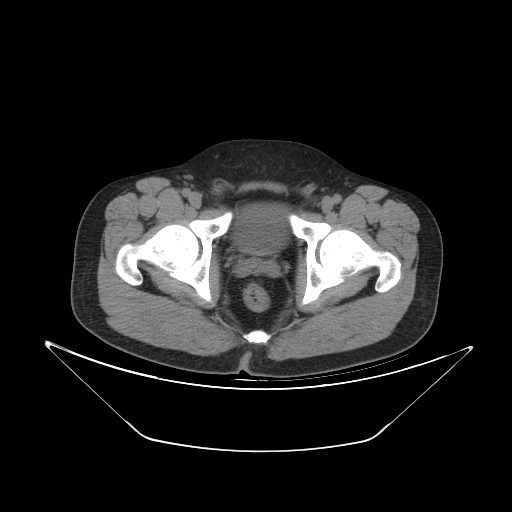

Computed tomography, abdomen. axial view. soft-tissue window. 512x512 px. 41-year-old male patient
Coordinates as <box>x1,y1,x2,y2</box> in pixels. The annotated organs in this slice are: bladder at <box>234,203,287,253</box>.